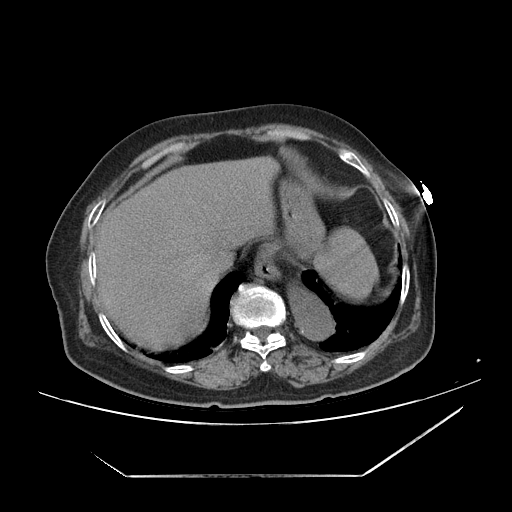

CT, abdomen/pelvis · axial plane, index 141
{"organs":{"spleen":[314,228,377,296],"esophagus":[256,261,283,282],"liver":[96,156,312,347],"stomach":[269,187,321,254],"aorta":[294,295,334,341],"inferior vena cava":[205,245,232,274]}}